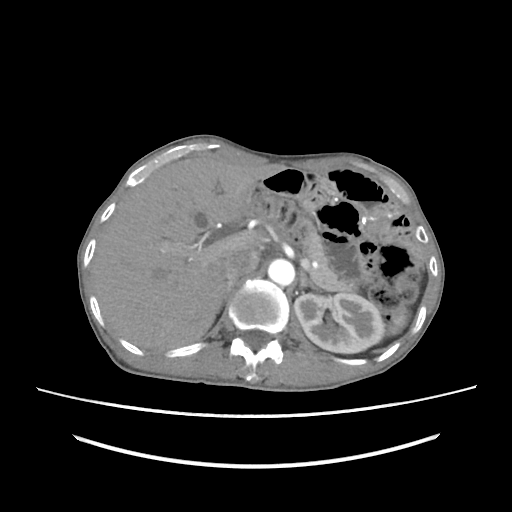

CT, abdomen/pelvis; axial view; W/L 400/40 HU
Organ boxes in pixel coordinates; each row gives the top-left (x1, y1) and bottom-right (x2, y2) corners.
| organ | x1 | y1 | x2 | y2 |
|---|---|---|---|---|
| spleen | 387 | 309 | 406 | 334 |
| left kidney | 294 | 293 | 384 | 353 |
| liver | 90 | 153 | 283 | 350 |
| stomach | 361 | 210 | 371 | 217 |
| aorta | 268 | 259 | 294 | 285 |
| inferior vena cava | 224 | 248 | 259 | 280 |
| pancreas | 298 | 218 | 356 | 292 |
| right adrenal gland | 217 | 281 | 234 | 313 |
| left adrenal gland | 300 | 271 | 316 | 289 |